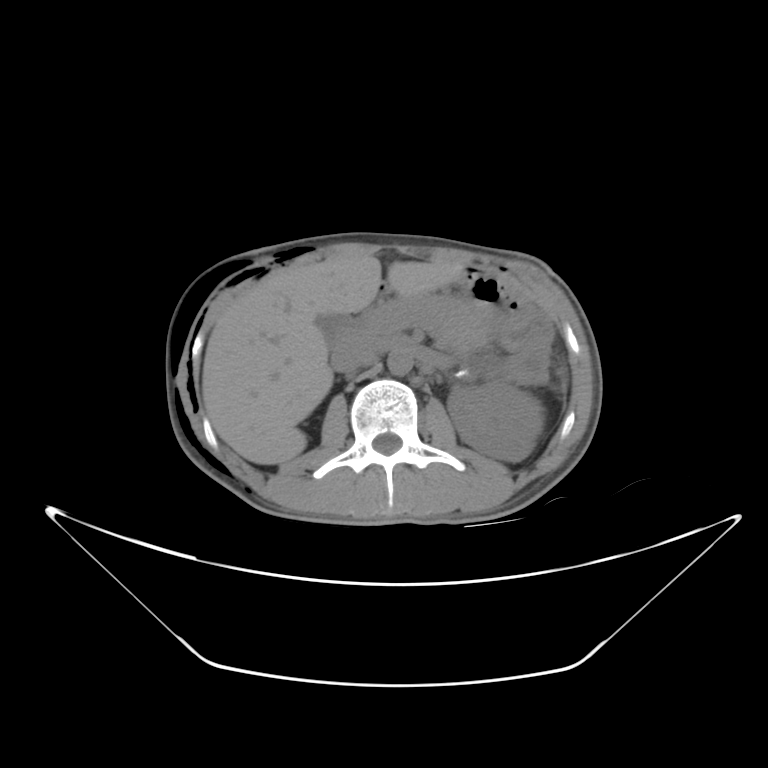
CT, abdomen/pelvis. Axial slice 65/95
Bounding boxes in pixels, one row per box: x1, y1 is the top-left corner and x2, y2 the bottom-right.
| organ | x1 | y1 | x2 | y2 |
|---|---|---|---|---|
| left kidney | 446 | 381 | 542 | 462 |
| gall bladder | 317 | 313 | 340 | 347 |
| liver | 202 | 259 | 467 | 465 |
| stomach | 455 | 267 | 527 | 330 |
| aorta | 389 | 347 | 412 | 375 |
| inferior vena cava | 329 | 340 | 379 | 375 |
| pancreas | 391 | 295 | 486 | 347 |